CT, abdomen/pelvis — axial view — 512x512 px — scan has 14 labeled organs (that count is for the whole scan; organs this slice misses have no box)
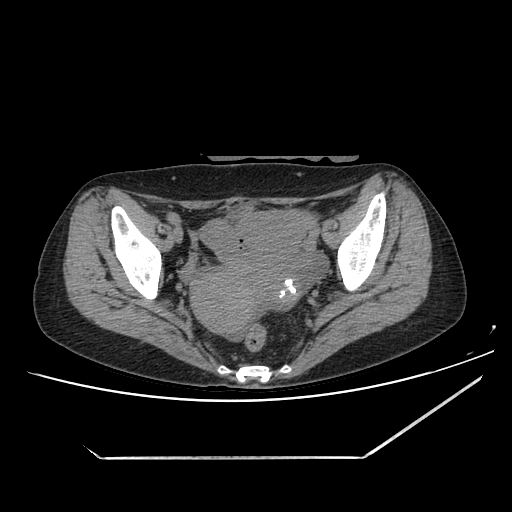 <organs><organ name="prostate/uterus" x1="191" y1="265" x2="301" y2="335"/><organ name="bladder" x1="228" y1="204" x2="252" y2="219"/></organs>